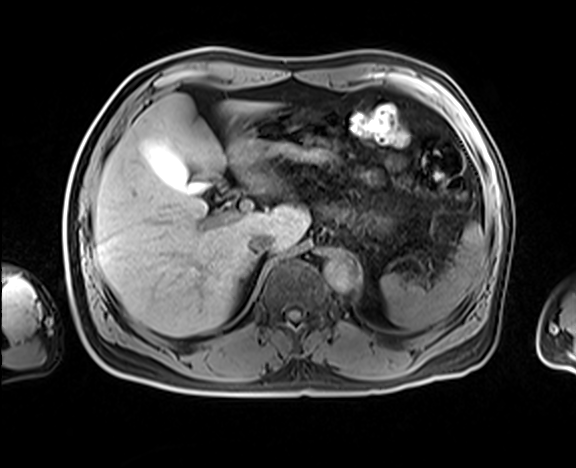
Abdominal MR · axial view · percentile-normalized · Prisma scanner
Boxes: x1 y1 x2 y2 (pixel coords, space-separated). The annotated organs in this slice are: spleen at 380 223 485 331, gall bladder at 145 144 229 192, aorta at 324 252 359 291, liver at 93 94 309 336, inferior vena cava at 249 232 273 256, stomach at 236 113 337 163.